CT, abdomen/pelvis — axial view — W/L 400/40 HU — 768x768 px — 30-year-old male patient — scan has 15 labeled organs (a whole-scan count: organs this slice does not pass through have no box)
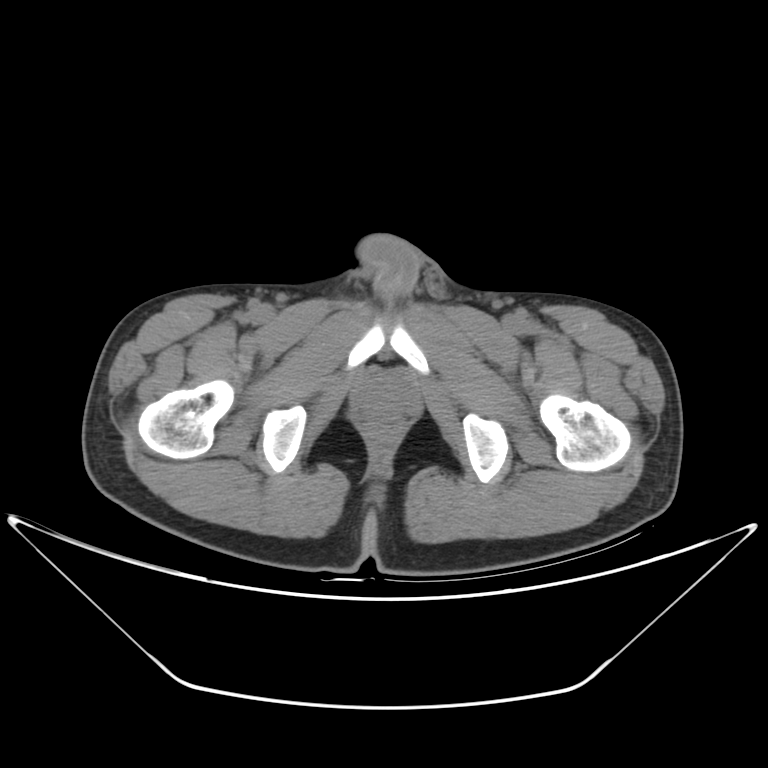
<organs><organ name="prostate/uterus" x1="360" y1="379" x2="408" y2="419"/></organs>